CT of the abdomen extending into the chest, slice through the chest · axial view · 512x512 px · Aquilion ONE scanner
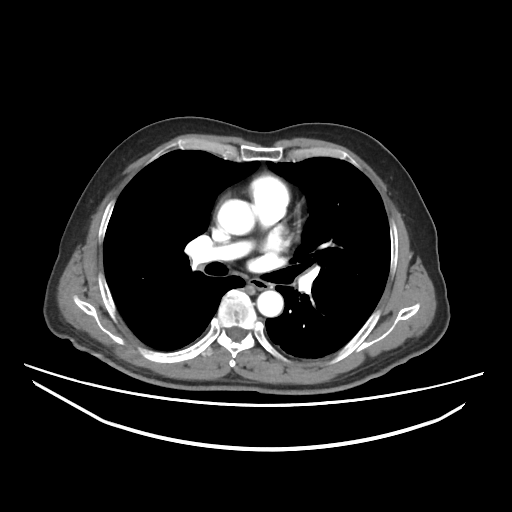
At this level of the chest no structure but the esophagus and the aorta has a label in this dataset, and those two are boxed only where they are labeled.
<organs><organ name="esophagus" x1="250" y1="279" x2="269" y2="289"/><organ name="aorta" x1="217" y1="199" x2="255" y2="235"/><organ name="aorta" x1="257" y1="290" x2="283" y2="316"/></organs>